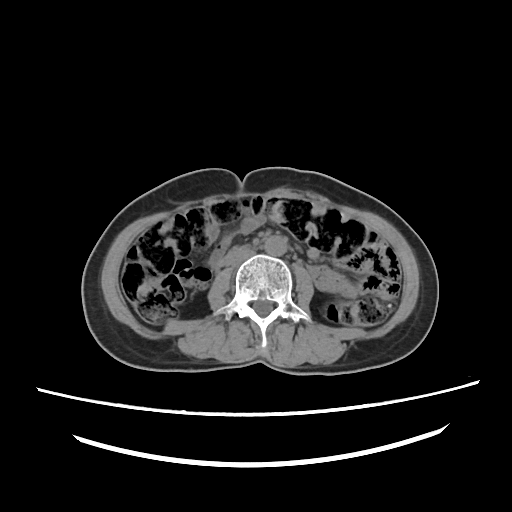

Computed tomography, abdomen · axial view · soft-tissue window (W 400 / L 40)
Organ boxes in pixel coordinates; each row gives the top-left (x1, y1) and bottom-right (x2, y2) corners.
| organ | x1 | y1 | x2 | y2 |
|---|---|---|---|---|
| aorta | 264 | 236 | 286 | 256 |
| inferior vena cava | 223 | 246 | 253 | 265 |